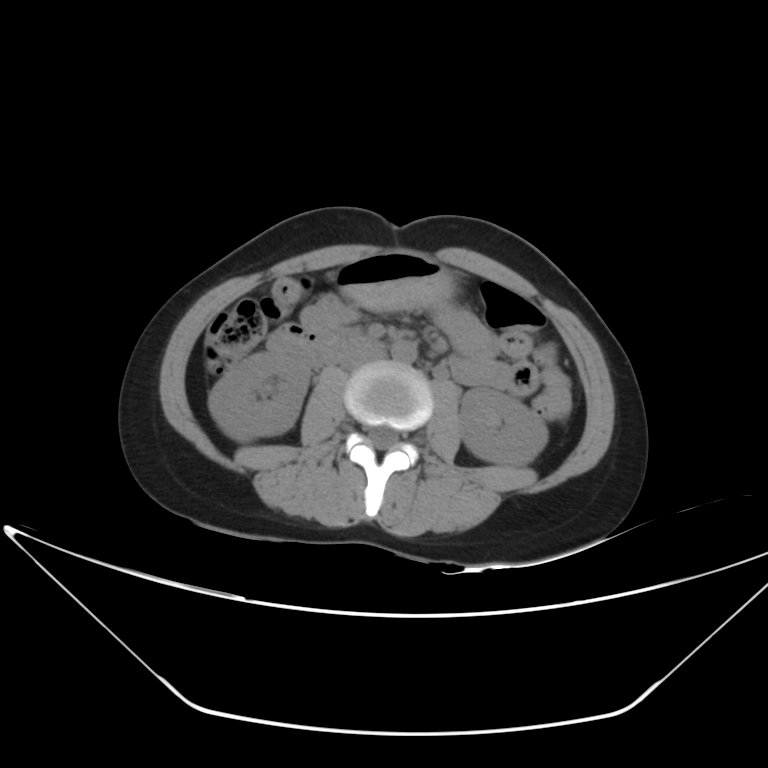
CT abdomen — axial plane, index 47 — 28-year-old female patient — Brilliance16 scanner
Boxes are (x1, y1, x2, y2) in pixels.
duodenum: (267, 324, 360, 367)
stomach: (333, 250, 456, 310)
aorta: (391, 340, 416, 362)
right kidney: (208, 348, 310, 440)
left kidney: (460, 388, 547, 466)
inferior vena cava: (337, 340, 384, 368)